Chest-level CT slice, above the liver and spleen · axial view · soft-tissue window · 15 organs annotated in this scan (a whole-scan count: organs this slice does not pass through have no box)
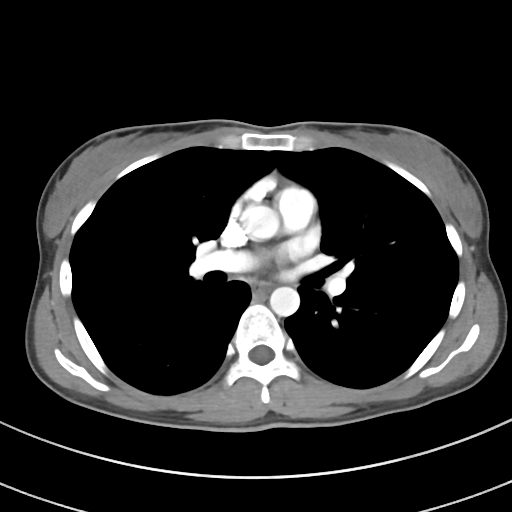 At this level of the chest this dataset labels only the esophagus and the aorta, and each is boxed only where it is labeled; the heart and lungs are never labeled.
<organs><organ name="esophagus" x1="252" y1="281" x2="270" y2="293"/><organ name="aorta" x1="239" y1="206" x2="278" y2="240"/><organ name="aorta" x1="269" y1="286" x2="299" y2="316"/></organs>